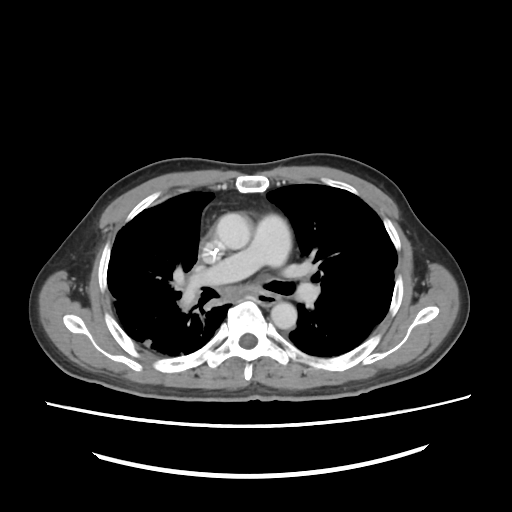
Abdominal CT; this slice is in the lower chest, just above the liver — axial plane, index 101 — soft-tissue window (W 400 / L 40) — acquired on Aquilion ONE
No part of the heart or lungs is labeled in this dataset, so neither has a box here.
{"organs":{"aorta":[[216,214,251,249],[270,301,296,329]]}}